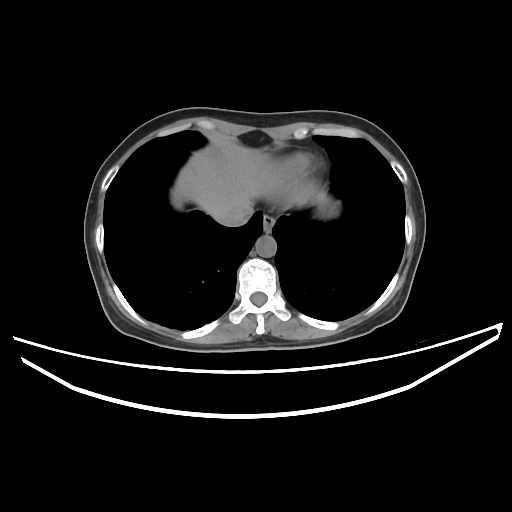
CT, abdomen/pelvis · axial view
Each box given as x1,y1,x2,y2.
Organ bounding boxes:
- esophagus: x1=263, y1=215, x2=274, y2=232
- inferior vena cava: x1=215, y1=203, x2=253, y2=226
- stomach: x1=308, y1=189, x2=339, y2=218
- liver: x1=172, y1=139, x2=275, y2=217
- aorta: x1=255, y1=235, x2=276, y2=257